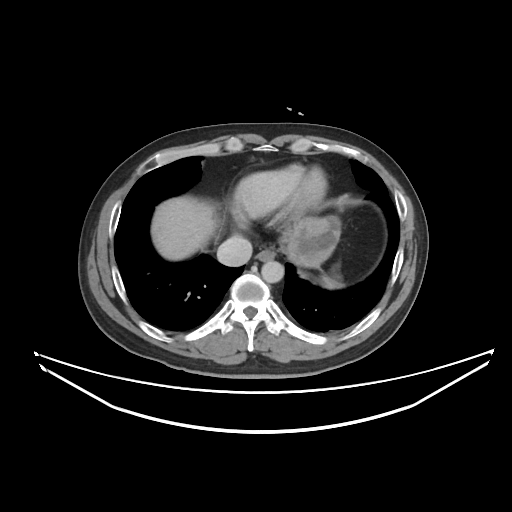

CT, abdomen/pelvis. axial view. soft-tissue window (W 400 / L 40)
<organs><organ name="esophagus" x1="256" y1="250" x2="275" y2="261"/><organ name="aorta" x1="261" y1="260" x2="284" y2="282"/><organ name="inferior vena cava" x1="217" y1="235" x2="252" y2="266"/><organ name="liver" x1="151" y1="196" x2="340" y2="267"/></organs>